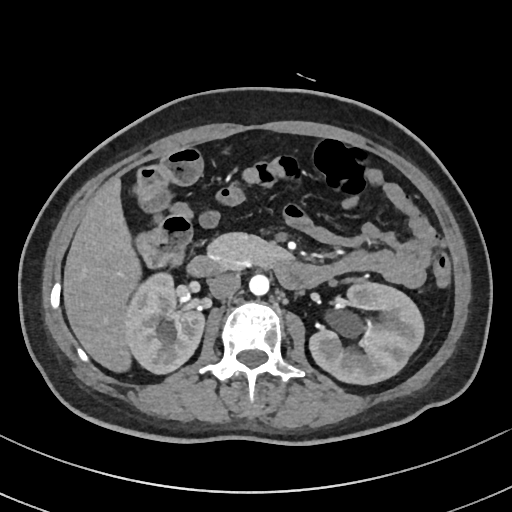 CT, abdomen/pelvis; Axial slice 123/191; W/L 400/40 HU; 512x512 px; acquired on SOMATOM Force
{"organs":{"right kidney":[124,273,203,373],"left kidney":[310,282,424,383],"liver":[64,181,139,370],"aorta":[249,273,269,294],"inferior vena cava":[208,272,240,298],"pancreas":[209,234,296,266],"duodenum":[186,254,324,290]}}